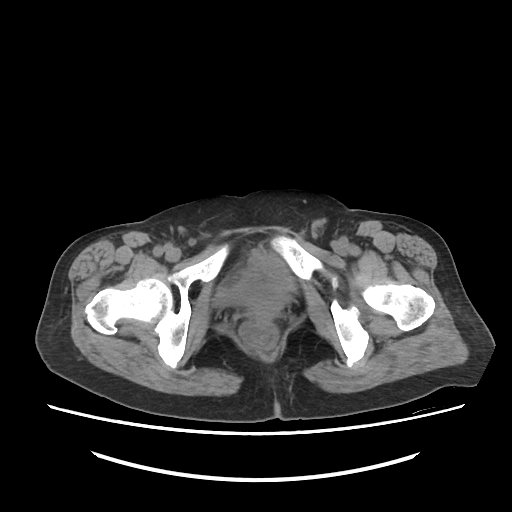 CT abdomen. axial view. 512x512 px. Aquilion ONE scanner
Bounding boxes as [x1, y1, x2, y2] in pixel coordinates. Labeled organs on this slice: bladder at [210, 251, 291, 309], prostate/uterus at [248, 291, 285, 318].